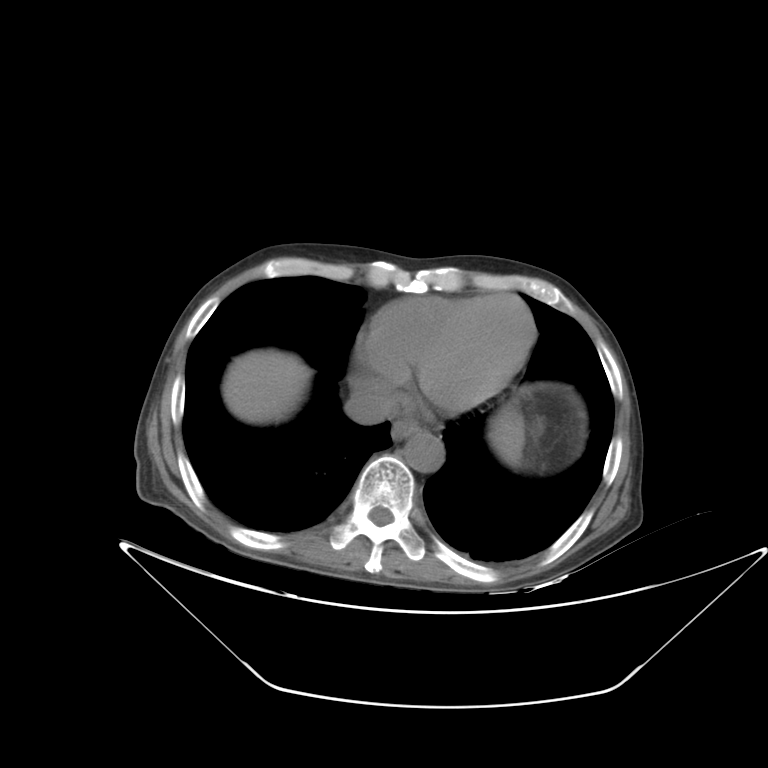
Abdominal CT — axial plane, index 89
Bounding boxes as [x1, y1, x2, y2] in pixel coordinates.
esophagus: [391, 419, 419, 440]
liver: [222, 349, 523, 456]
aorta: [404, 430, 444, 472]
inferior vena cava: [345, 391, 393, 424]